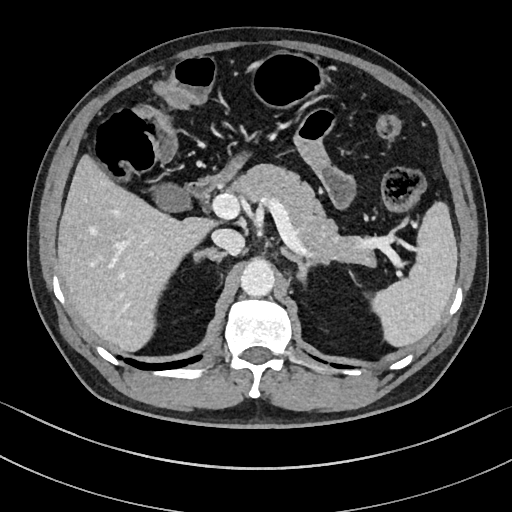

CT abdomen — axial view — acquired on SOMATOM Force
Boxes: x1 y1 x2 y2 (pixel coords, space-separated).
spleen: 371 202 457 347
gall bladder: 153 183 190 211
liver: 57 154 214 351
stomach: 250 51 324 109
aorta: 240 259 274 297
inferior vena cava: 211 229 244 255
pancreas: 230 164 376 266
right adrenal gland: 194 248 226 262
left adrenal gland: 281 247 329 284
duodenum: 187 154 245 198